Abdominal MRI; axial plane, index 68; 320x260 px
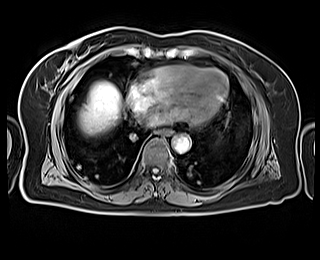

{"organs":{"inferior vena cava":[138,114,149,122],"liver":[77,81,123,136],"aorta":[172,135,190,153],"esophagus":[158,129,171,136]}}